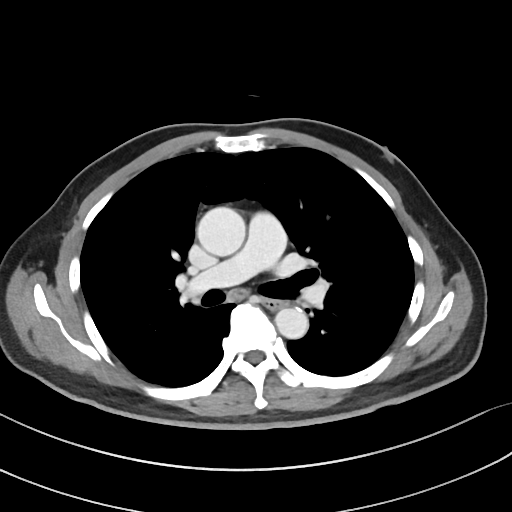

Chest-level CT slice, above the liver and spleen — axial plane, index 99 — 512x512 px
At this level of the chest this dataset labels only the esophagus and the aorta, and each is boxed only where it is labeled; the heart and lungs are never labeled.
<organs><organ name="aorta" x1="197" y1="206" x2="245" y2="256"/><organ name="aorta" x1="275" y1="307" x2="308" y2="338"/><organ name="esophagus" x1="263" y1="299" x2="282" y2="309"/></organs>